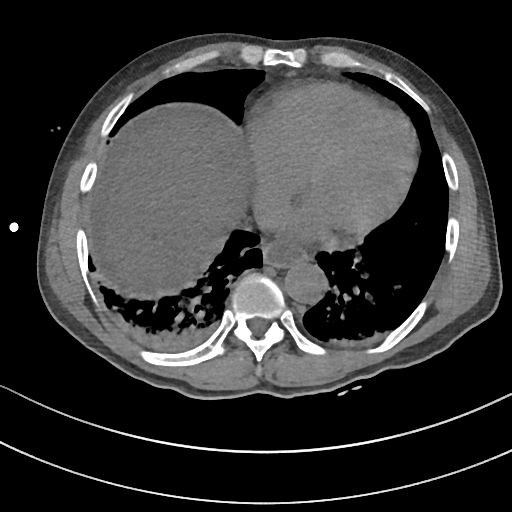

Computed tomography, abdomen; axial plane, index 229
Boxes: x1:y1:x2:y2 in pixels. 4 labeled organs on this slice — esophagus at 261:238:307:268; liver at 87:112:253:295; aorta at 283:260:326:302; inferior vena cava at 254:195:289:229.